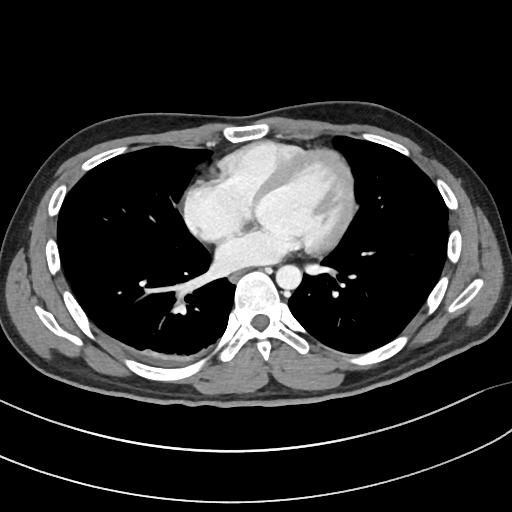 CT of the abdomen reaching into the lower chest, slice just above the liver and spleen — Axial slice 243/251 — soft-tissue window, W/L 400/40 — 512x512 px — 15 organs annotated in this scan (that count is for the whole scan; organs this slice misses have no box)
No part of the heart or lungs is labeled in this dataset, so neither has a box here.
<organs><organ name="aorta" x1="276" y1="264" x2="302" y2="290"/><organ name="esophagus" x1="229" y1="270" x2="244" y2="282"/></organs>